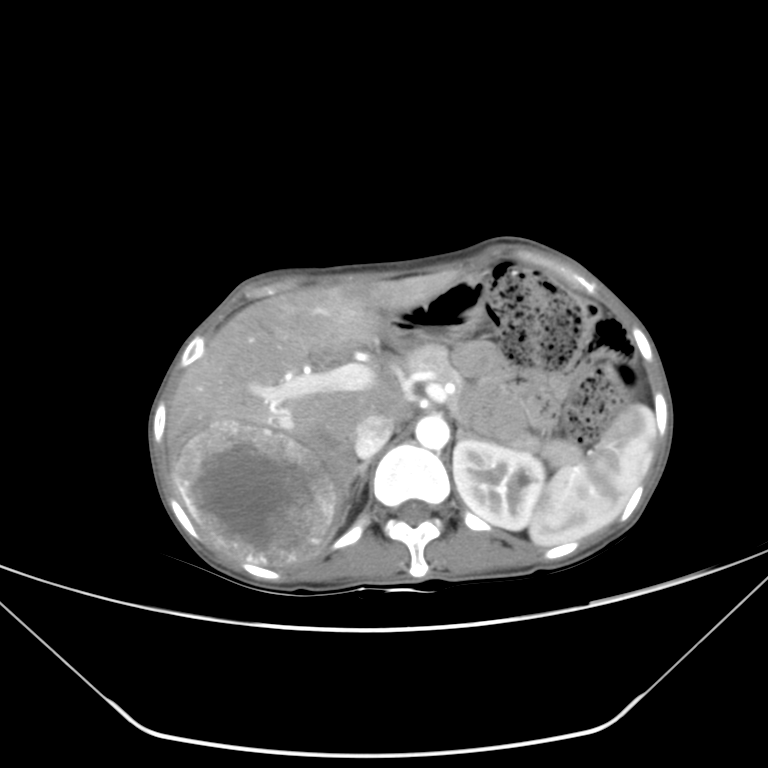 Abdominal CT; axial plane, index 68
Coordinates as <box>x1,y1,x2,y2</box> in pixels.
stomach: <box>379,276,488,350</box>
pancreas: <box>394,344,580,466</box>
spleen: <box>529,403,656,546</box>
left kidney: <box>453,439,544,530</box>
inferior vena cava: <box>352,413,394,459</box>
left adrenal gland: <box>456,423,497,444</box>
aorta: <box>415,415,449,449</box>
liver: <box>167,270,461,567</box>
right adrenal gland: <box>346,460,369,496</box>